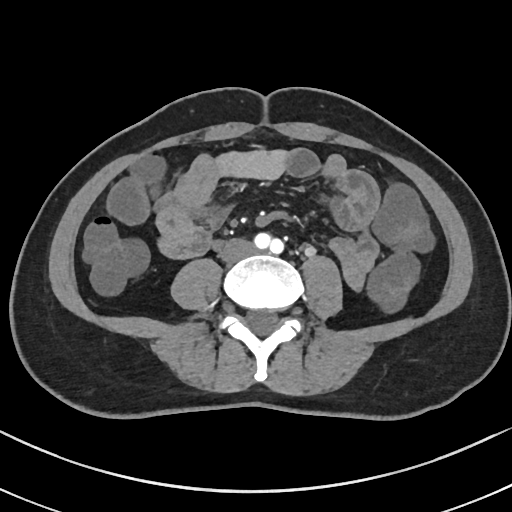
Abdominal CT — axial view — soft-tissue window (W 400 / L 40) — 512x512 px
<organs><organ name="inferior vena cava" x1="221" y1="239" x2="254" y2="263"/></organs>